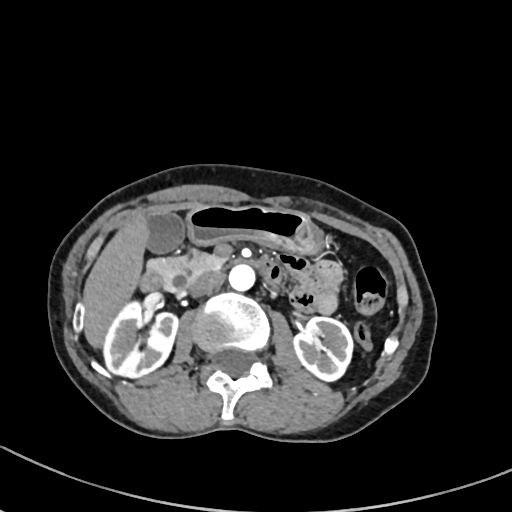
Abdominal CT; Axial slice 143/207; soft-tissue window
<organs><organ name="inferior vena cava" x1="188" y1="272" x2="224" y2="297"/><organ name="left kidney" x1="292" y1="316" x2="352" y2="382"/><organ name="aorta" x1="228" y1="265" x2="254" y2="291"/><organ name="right kidney" x1="104" y1="303" x2="178" y2="378"/><organ name="pancreas" x1="150" y1="250" x2="226" y2="290"/><organ name="liver" x1="82" y1="216" x2="146" y2="345"/><organ name="duodenum" x1="140" y1="258" x2="284" y2="291"/><organ name="stomach" x1="184" y1="203" x2="324" y2="256"/><organ name="gall bladder" x1="146" y1="212" x2="185" y2="253"/></organs>